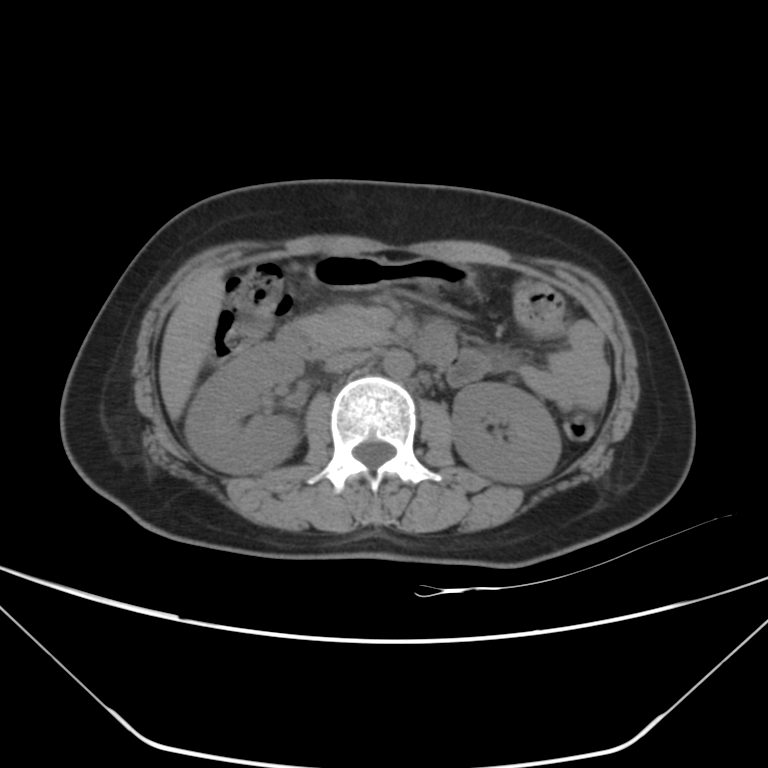 Computed tomography, abdomen · axial view · soft-tissue window · Brilliance16 scanner · 15 organs annotated in this scan (that count is for the whole scan; organs this slice misses have no box)
{"organs":{"right kidney":[184,343,302,473],"left kidney":[452,382,561,483],"liver":[159,267,224,419],"stomach":[310,254,473,290],"aorta":[382,350,413,378],"inferior vena cava":[325,350,368,371],"pancreas":[296,306,391,351],"duodenum":[276,321,456,366]}}